CT abdomen · axial view · abdomen soft-tissue window · acquired on Brilliance16
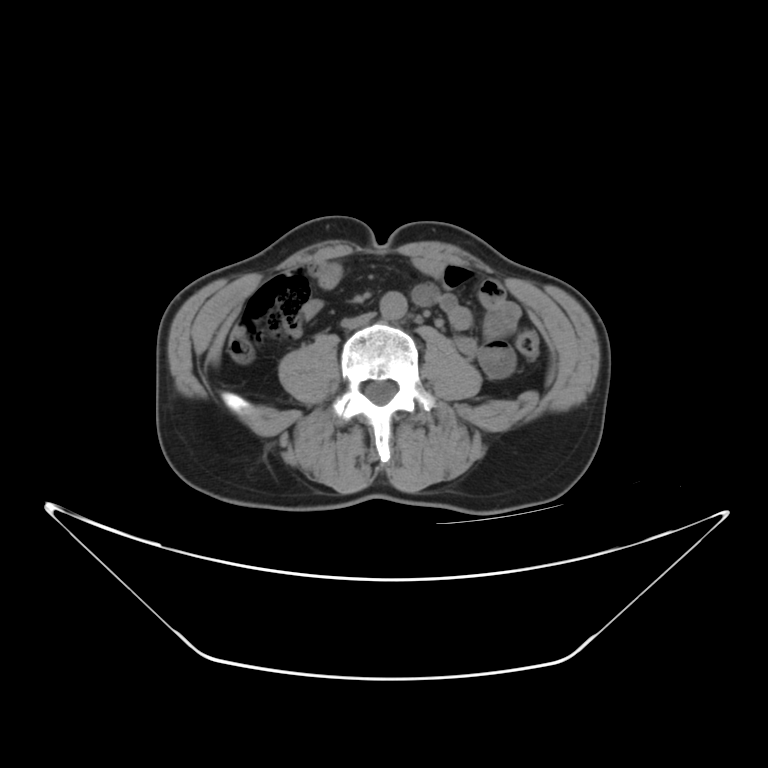

Box edges are left/top/right/bottom in pixels.
Organ bounding boxes:
- aorta: left=381, top=291, right=407, bottom=320
- inferior vena cava: left=340, top=315, right=374, bottom=329